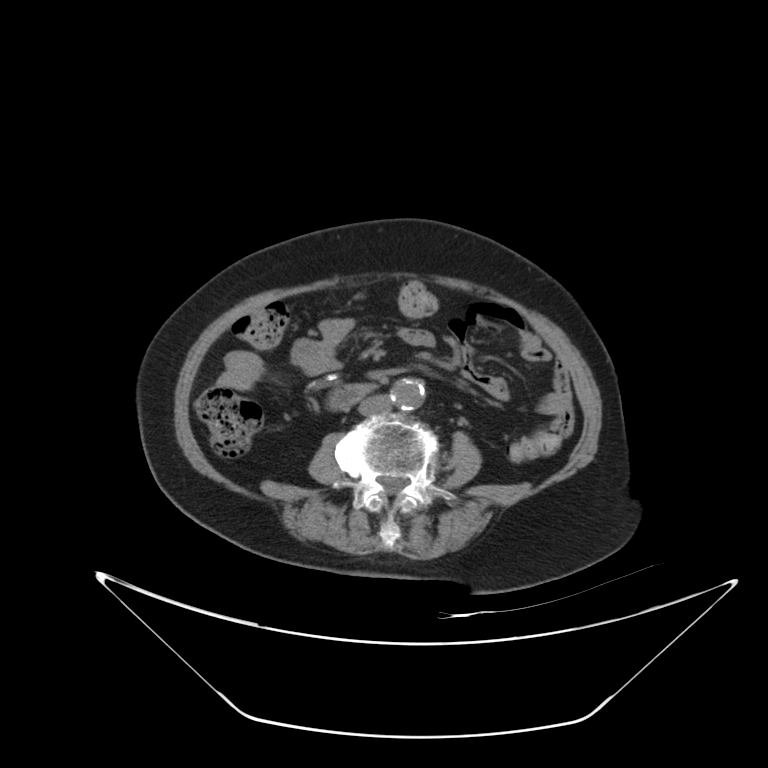 CT, abdomen/pelvis. axial view. soft-tissue window (W 400 / L 40). 78-year-old female patient. 15 organs annotated in this scan (a whole-scan count: organs this slice does not pass through have no box)
{"organs":{"aorta":[390,378,424,409],"inferior vena cava":[359,395,391,416],"duodenum":[327,384,371,409]}}